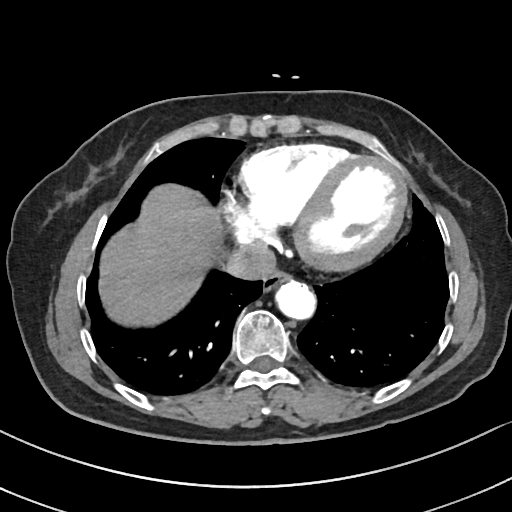

CT, abdomen/pelvis; axial view; scan has 15 labeled organs (that count is for the whole scan; organs this slice misses have no box)
<organs><organ name="esophagus" x1="263" y1="269" x2="291" y2="290"/><organ name="aorta" x1="274" y1="279" x2="314" y2="318"/><organ name="liver" x1="99" y1="185" x2="226" y2="326"/><organ name="inferior vena cava" x1="224" y1="243" x2="277" y2="280"/></organs>